Magnetic resonance imaging, abdomen; Coronal slice 62/144; 1st–99th percentile window; 260x320 px
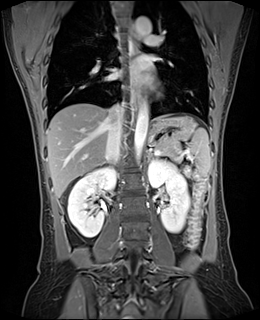 Organ boxes in pixel coordinates; each row gives the top-left (x1, y1) and bottom-right (x2, y2) corners.
| organ | x1 | y1 | x2 | y2 |
|---|---|---|---|---|
| spleen | 188 | 128 | 210 | 176 |
| right kidney | 67 | 167 | 115 | 236 |
| left kidney | 148 | 160 | 190 | 232 |
| esophagus | 132 | 85 | 140 | 107 |
| esophagus | 131 | 25 | 138 | 57 |
| liver | 46 | 103 | 168 | 197 |
| stomach | 148 | 116 | 196 | 143 |
| aorta | 134 | 100 | 148 | 161 |
| aorta | 136 | 17 | 150 | 35 |
| inferior vena cava | 106 | 104 | 124 | 161 |
| pancreas | 157 | 142 | 179 | 155 |
| left adrenal gland | 148 | 154 | 152 | 160 |